Abdominal CT. axial view. abdomen soft-tissue window. scan has 15 labeled organs (that count is for the whole scan; organs this slice misses have no box)
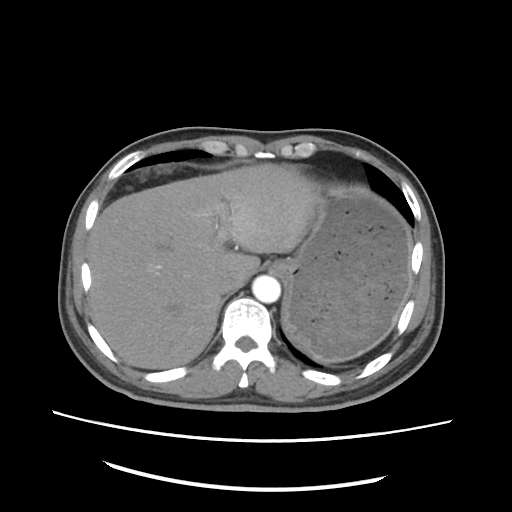
{"organs":{"esophagus":[269,261,283,272],"liver":[86,162,321,367],"stomach":[280,185,412,362],"aorta":[252,276,279,304],"inferior vena cava":[219,273,242,293]}}